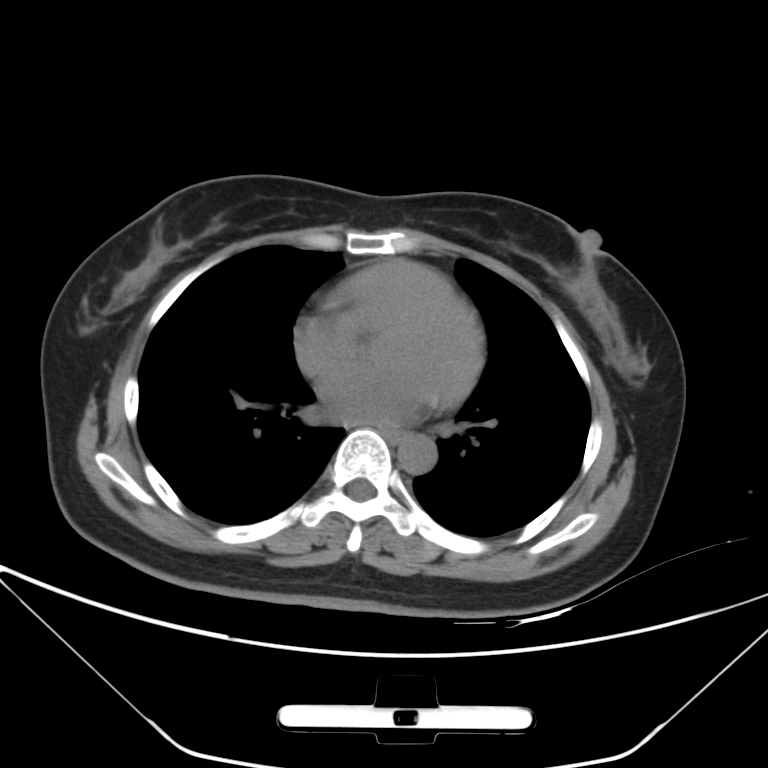

CT of the abdomen reaching into the lower chest, slice just above the liver and spleen; axial view; scan has 15 labeled organs (a whole-scan count: organs this slice does not pass through have no box)
Of the structures in the chest, this dataset labels only the esophagus, the aorta and the inferior vena cava; the heart and lungs have no label.
Boxes: x1 y1 x2 y2 (pixel coords, space-separated).
esophagus: 377 423 406 445
aorta: 397 433 437 474